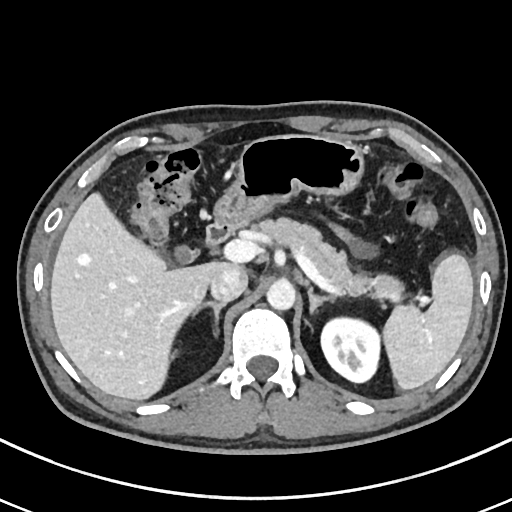

Computed tomography, abdomen. axial view. 512x512 px
{"organs":{"spleen":[383,254,473,389],"left kidney":[321,317,380,382],"gall bladder":[175,245,194,263],"liver":[50,192,244,400],"stomach":[215,134,364,225],"aorta":[266,280,295,310],"inferior vena cava":[209,266,247,303],"pancreas":[253,217,402,298],"right adrenal gland":[194,301,225,335],"left adrenal gland":[308,288,332,312],"duodenum":[206,217,240,245]}}